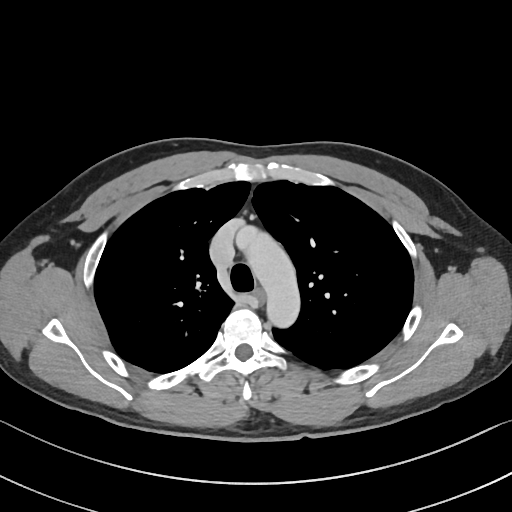 Chest-level CT slice, above the liver and spleen · axial view · soft-tissue window, W/L 400/40
At this level of the chest no structure but the esophagus and the aorta has a label in this dataset, and those two are boxed only where they are labeled.
{"organs":{"aorta":[235,224,299,329],"esophagus":[255,289,266,301]}}